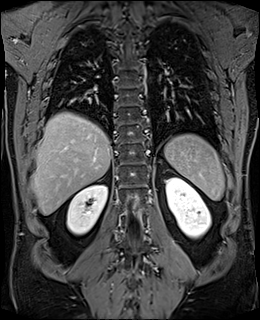

MRI, abdomen · coronal view · percentile-normalized · scan has 13 labeled organs (that count is for the whole scan; organs this slice misses have no box)
One row per box, in pixels: columns x1 and y1 give the top-left corner, x2 and y2 the bottom-right.
| organ | x1 | y1 | x2 | y2 |
|---|---|---|---|---|
| spleen | 164 | 134 | 224 | 201 |
| right kidney | 67 | 185 | 107 | 234 |
| left kidney | 166 | 177 | 210 | 238 |
| liver | 32 | 112 | 111 | 215 |